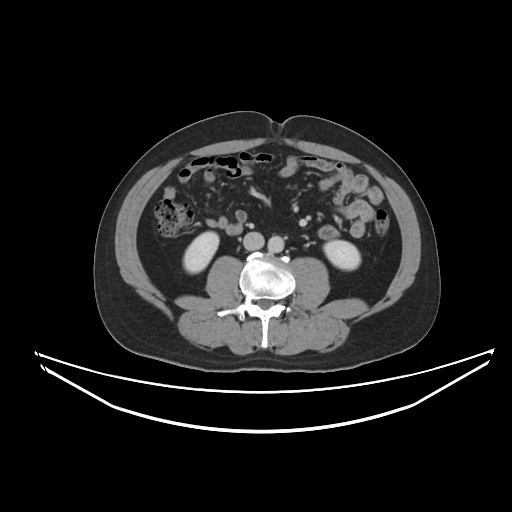 CT abdomen. axial plane, index 49. 40-year-old male patient
{"organs":{"right kidney":[183,231,219,273],"left kidney":[323,240,360,269],"aorta":[268,236,284,252],"inferior vena cava":[243,232,264,250]}}